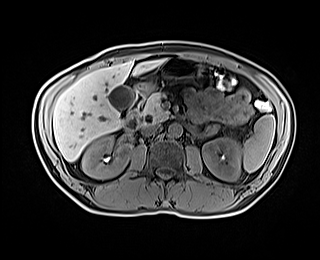
Abdominal MR · axial view
Box edges are left/top/right/bottom in pixels.
Organ bounding boxes:
- right kidney: left=82, top=135, right=131, bottom=178
- aorta: left=168, top=123, right=182, bottom=137
- duodenum: left=124, top=83, right=153, bottom=130
- liver: left=53, top=59, right=165, bottom=161
- inferior vena cava: left=142, top=125, right=159, bottom=135
- gall bladder: left=107, top=85, right=133, bottom=109
- left kidney: left=202, top=137, right=241, bottom=180
- spleen: left=243, top=115, right=275, bottom=172
- stomach: left=134, top=57, right=200, bottom=94
- pancreas: left=140, top=92, right=169, bottom=124